CT, abdomen/pelvis — axial view — soft-tissue window — 50-year-old male patient
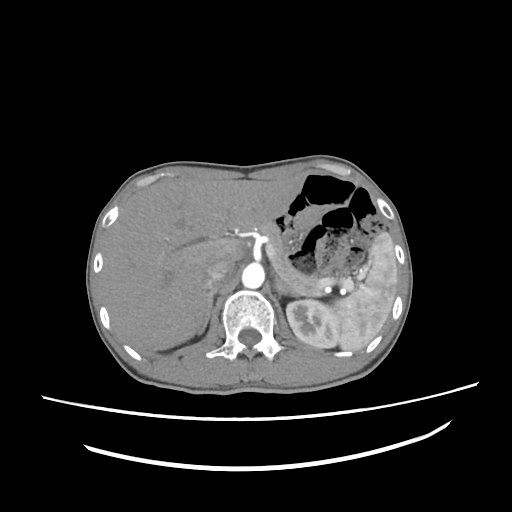
Each box given as x1,y1,x2,y2. Labeled organs on this slice: spleen at x1=331, y1=232, x2=397, y2=351, left kidney at x1=286, y1=299, x2=339, y2=348, liver at x1=100, y1=174, x2=304, y2=351, aorta at x1=242, y1=264, x2=264, y2=288, inferior vena cava at x1=206, y1=260, x2=234, y2=288, pancreas at x1=258, y1=222, x2=324, y2=296, right adrenal gland at x1=199, y1=287, x2=217, y2=333, left adrenal gland at x1=275, y1=277, x2=298, y2=297.